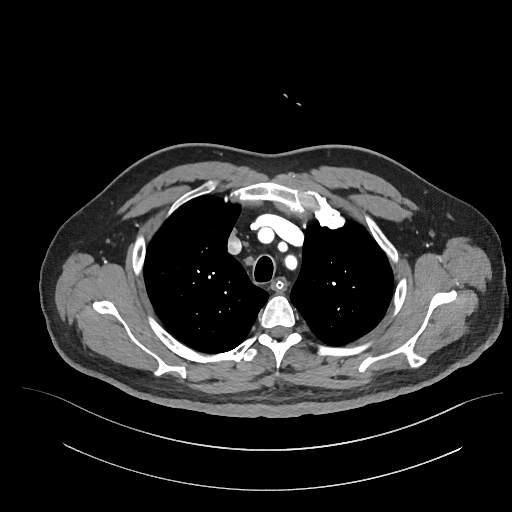

Chest-level slice from an abdominal CT that extends up into the chest — axial view — 512x512 px — 15 organs annotated in this scan (counted over the whole 3D scan, not this slice; an organ is boxed only where this slice passes through it)
At this level of the chest no structure but the esophagus and the aorta has a label in this dataset, and those two are boxed only where they are labeled.
One row per box, in pixels: columns x1 and y1 give the top-left corner, x2 and y2 the bottom-right.
| organ | x1 | y1 | x2 | y2 |
|---|---|---|---|---|
| esophagus | 274 | 278 | 285 | 292 |